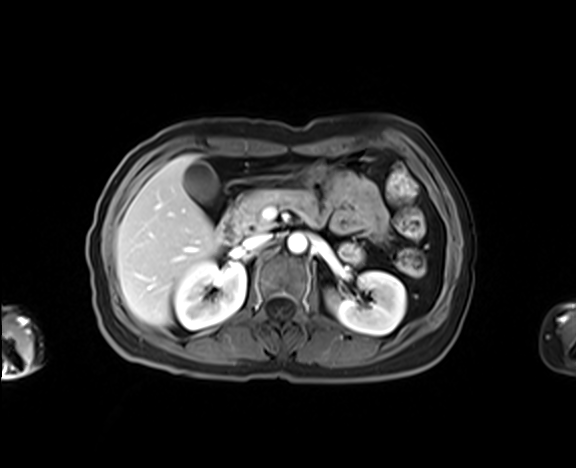

MRI, abdomen · axial view · percentile-normalized · 576x468 px
Boxes are (x1, y1, x2, y2) in pixels.
Organ bounding boxes:
- left kidney: (326, 271, 405, 335)
- inferior vena cava: (243, 233, 271, 250)
- gall bladder: (183, 161, 218, 202)
- duodenum: (219, 209, 240, 244)
- aorta: (288, 233, 307, 254)
- stomach: (284, 154, 342, 178)
- right kidney: (174, 261, 246, 329)
- liver: (116, 154, 222, 326)
- pancreas: (235, 189, 316, 232)